CT, abdomen/pelvis · axial plane, index 57 · abdomen soft-tissue window · 512x512 px · acquired on Aquilion ONE · scan has 14 labeled organs (a whole-scan count: organs this slice does not pass through have no box)
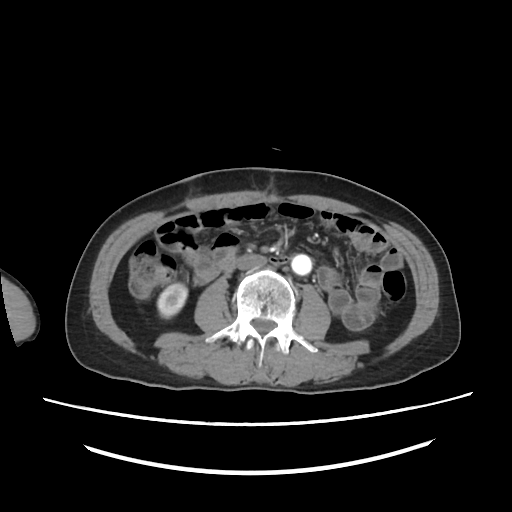
Coordinates as <box>x1,y1,x2,y2</box> in pixels. The annotated organs in this slice are: aorta at <box>291,253,310,274</box>, right kidney at <box>157,282,188,318</box>, inferior vena cava at <box>236,254,267,271</box>.